Magnetic resonance imaging, abdomen · axial plane, index 57 · scan has 13 labeled organs (that count is for the whole scan; organs this slice misses have no box)
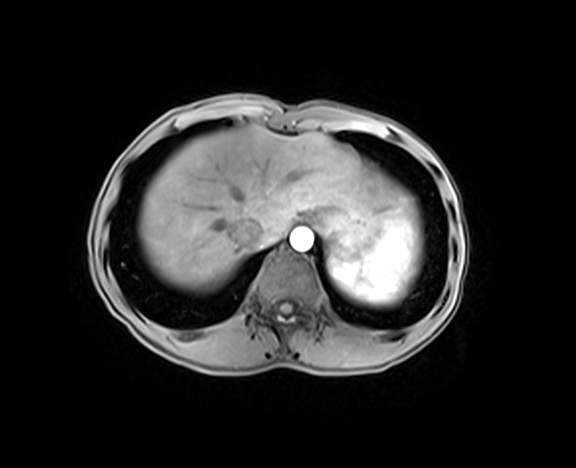
Coordinates as <box>x1,y1,x2,y2</box> in pixels.
Organ bounding boxes:
- spleen: <box>329,195,421,303</box>
- liver: <box>138,125,395,290</box>
- stomach: <box>310,208,380,255</box>
- aorta: <box>290,228,313,251</box>
- inferior vena cava: <box>227,219,263,244</box>